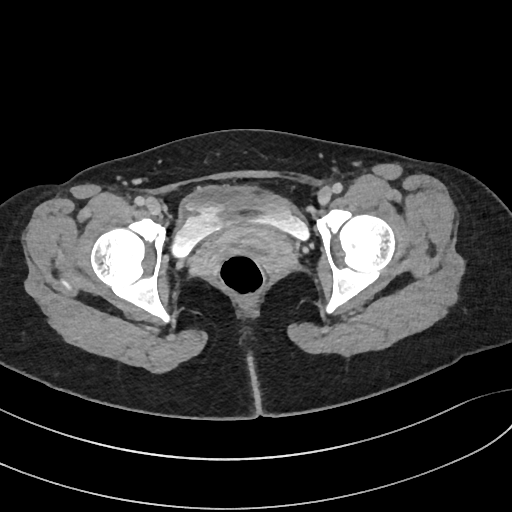

CT, abdomen/pelvis — Axial slice 35/219 — soft-tissue window
{"organs":{"bladder":[171,186,310,256]}}